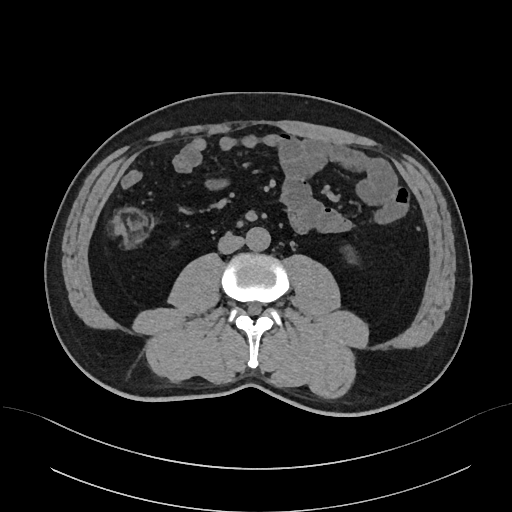

CT abdomen — axial view — W/L 400/40 HU
{"organs":{"left kidney":[343,249,358,263],"aorta":[246,227,270,251],"inferior vena cava":[218,233,244,253]}}